CT abdomen; axial view; abdomen soft-tissue window; scan has 15 labeled organs (a whole-scan count: organs this slice does not pass through have no box)
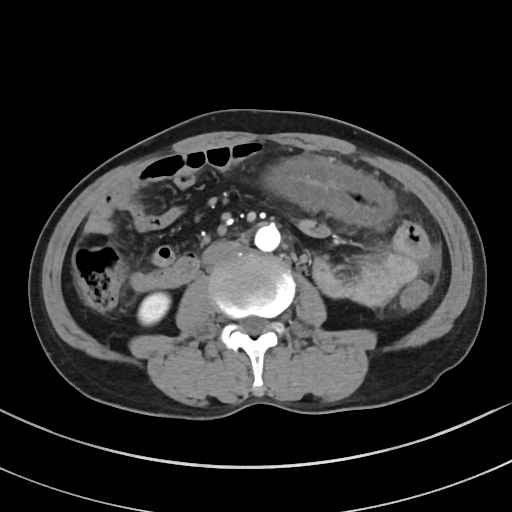
Organ boxes in pixel coordinates; each row gives the top-left (x1, y1) and bottom-right (x2, y2) corners.
| organ | x1 | y1 | x2 | y2 |
|---|---|---|---|---|
| aorta | 254 | 224 | 280 | 251 |
| inferior vena cava | 202 | 241 | 239 | 264 |
| right kidney | 138 | 293 | 170 | 324 |